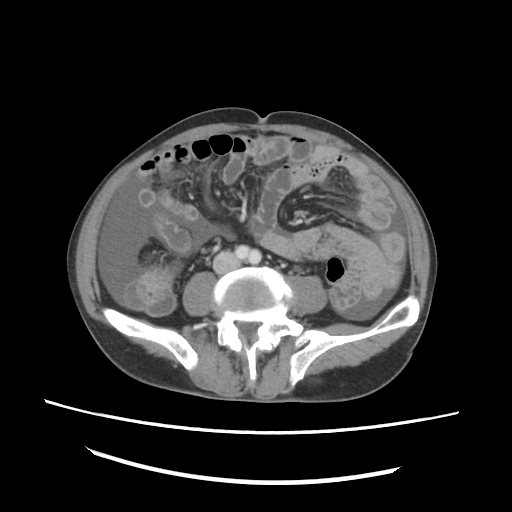

Abdominal CT; axial view; 512x512 px
Each box given as x1,y1,x2,y2. The annotated organs in this slice are: inferior vena cava at x1=213, y1=251, x2=238, y2=273.